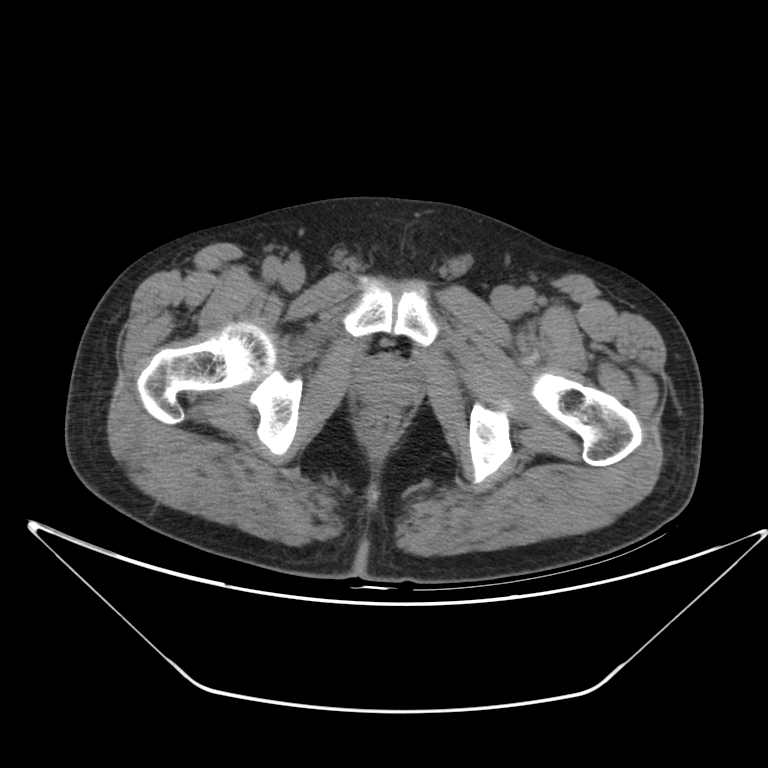 CT abdomen · Axial slice 12/87 · abdomen soft-tissue window · 768x768 px
Boxes: x1 y1 x2 y2 (pixel coords, space-separated).
prostate/uterus: 358 359 418 407